Chest-level slice from an abdominal CT that extends up into the chest; axial view; soft-tissue window; 58-year-old male patient
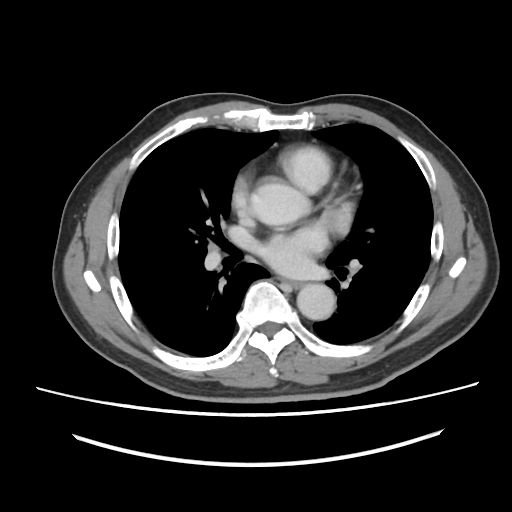

On a slice this high in the chest, this dataset labels only the esophagus and the aorta, and each is boxed only where it is labeled; the heart, lungs and other chest structures are not labeled.
Boxes are (x1, y1, x2, y2) in pixels.
Organ bounding boxes:
- esophagus: (282, 280, 301, 288)
- aorta: (297, 283, 335, 319)